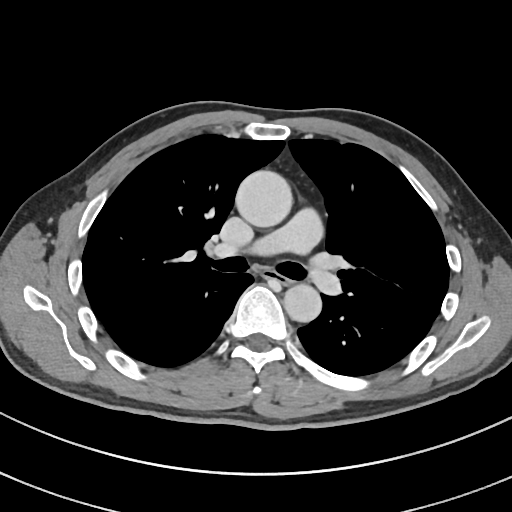
Chest-level CT slice, above the liver and spleen; axial view
On a slice this high in the chest, this dataset labels only the esophagus and the aorta, and each is boxed only where it is labeled; the heart, lungs and other chest structures are not labeled. Coordinates as <box>x1,y1,x2,y2</box> in pixels. Labeled organs on this slice: esophagus at <box>263,270,292,283</box>, aorta at <box>235,170,292,227</box>, aorta at <box>283,283,321,322</box>.